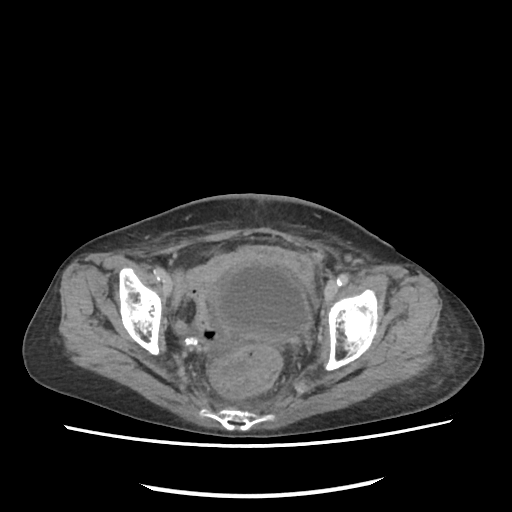 Computed tomography, abdomen; axial plane, index 19; soft-tissue window; 14 organs annotated in this scan (that count is for the whole scan; organs this slice misses have no box)
Boxes are (x1, y1, x2, y2) in pixels.
bladder: (210, 262, 311, 341)